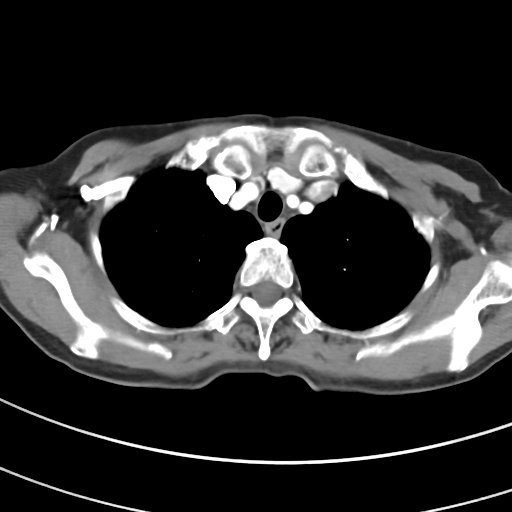

CT of the abdomen extending into the chest, slice through the chest — Axial slice 111/118 — soft-tissue window — 512x512 px
At this level of the chest no structure but the esophagus and the aorta has a label in this dataset, and those two are boxed only where they are labeled.
{"organs":{"esophagus":[265,218,283,233]}}